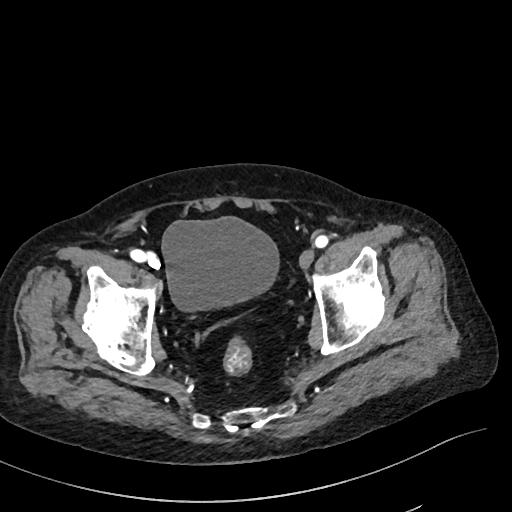 Computed tomography, abdomen; axial plane, index 47; soft-tissue window; scan has 15 labeled organs (a whole-scan count: organs this slice does not pass through have no box)
Box edges are left/top/right/bottom in pixels. 1 labeled organ on this slice — bladder at left=162, top=217, right=277, bottom=309.